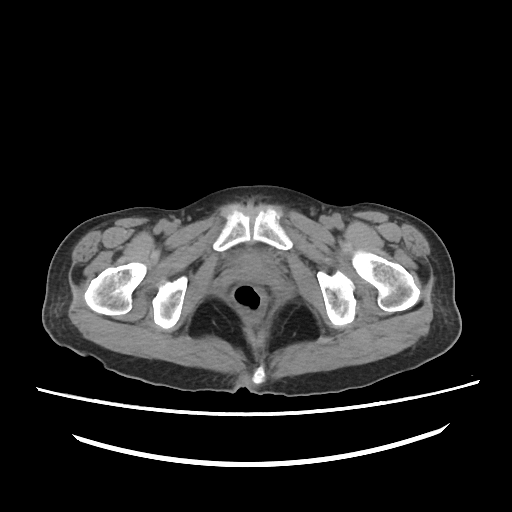

CT abdomen — axial plane, index 7 — 512x512 px
Box edges are left/top/right/bottom in pixels. The annotated organs in this slice are: bladder at left=226, top=250, right=275, bottom=266.